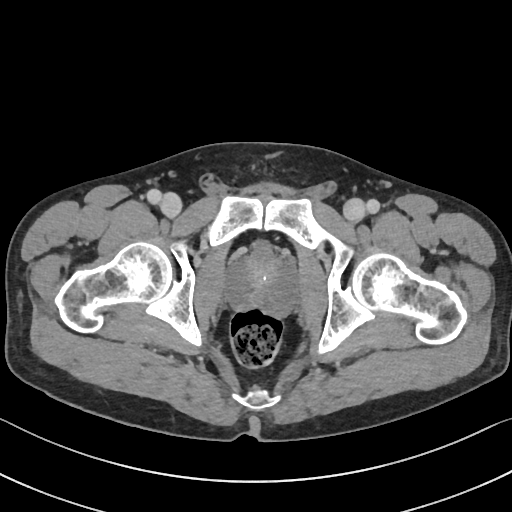
CT, abdomen/pelvis — axial view — SOMATOM Force scanner
Coordinates as <box>x1,y1,x2,y2</box> in pixels. 1 labeled organ on this slice — prostate/uterus at <box>227,251,297,316</box>.